Abdominal CT; axial plane, index 75; 512x512 px
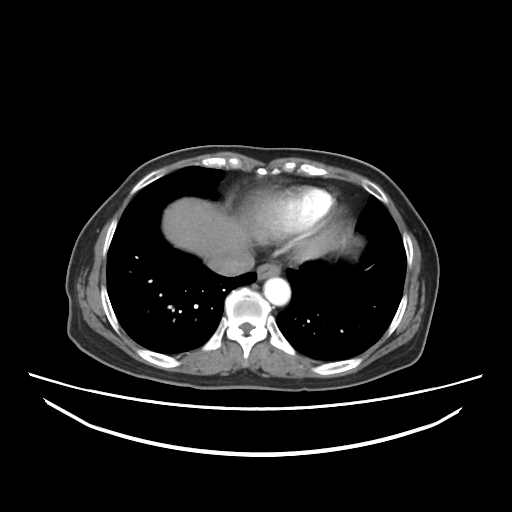
Boxes: x1 y1 x2 y2 (pixel coords, space-separated). 4 labeled organs on this slice — esophagus at 257 262 280 281; liver at 162 198 242 265; aorta at 264 276 291 305; inferior vena cava at 211 252 254 275.